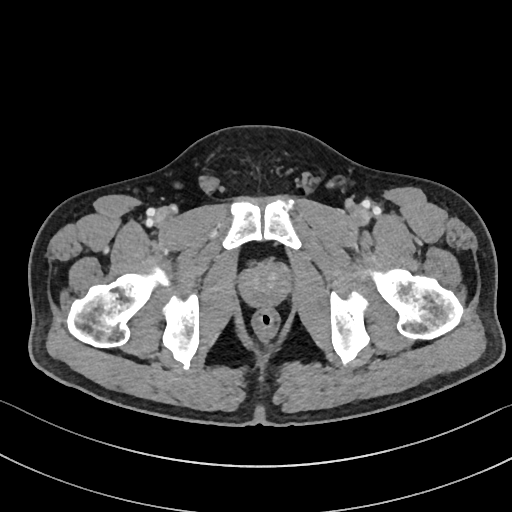 CT, abdomen/pelvis — axial view — 512x512 px — acquired on SOMATOM Force — 15 organs annotated in this scan (counted over the whole 3D scan, not this slice; an organ is boxed only where this slice passes through it)
<organs><organ name="prostate/uterus" x1="241" y1="265" x2="288" y2="305"/></organs>